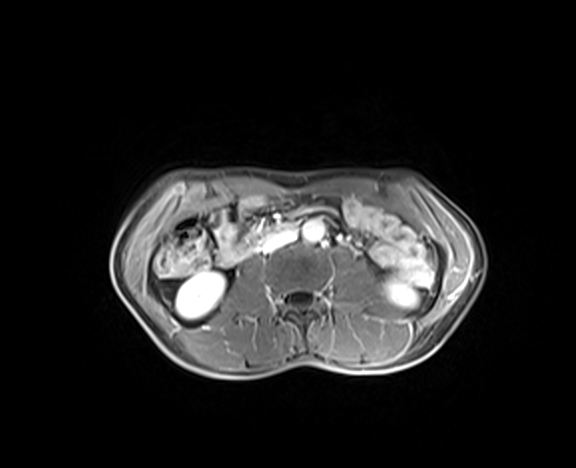
MRI, abdomen; Axial slice 21/72; 1st–99th percentile window; 576x468 px
{"organs":{"inferior vena cava":[259,229,296,252],"left kidney":[386,280,417,306],"aorta":[303,219,325,242],"duodenum":[244,221,298,251],"right kidney":[176,271,225,318]}}